Chest-level slice from an abdominal CT that extends up into the chest; axial view; acquired on Aquilion ONE; scan has 15 labeled organs (counted over the whole 3D scan, not this slice; an organ is boxed only where this slice passes through it)
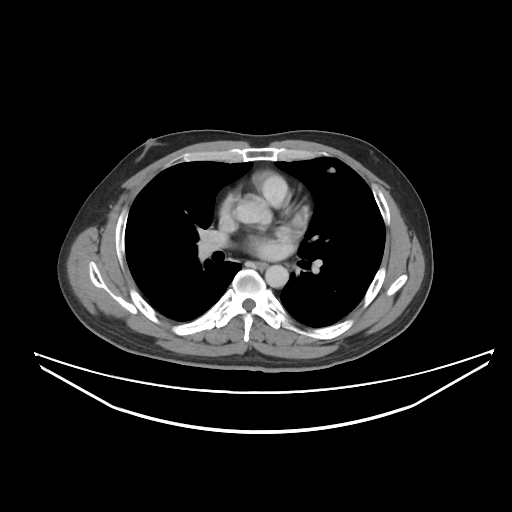

At this level of the chest this dataset labels only the esophagus and the aorta, and each is boxed only where it is labeled; the heart and lungs are never labeled.
Each box given as x1,y1,x2,y2.
aorta: x1=265, y1=265, x2=288, y2=287
esophagus: x1=256, y1=262, x2=266, y2=269